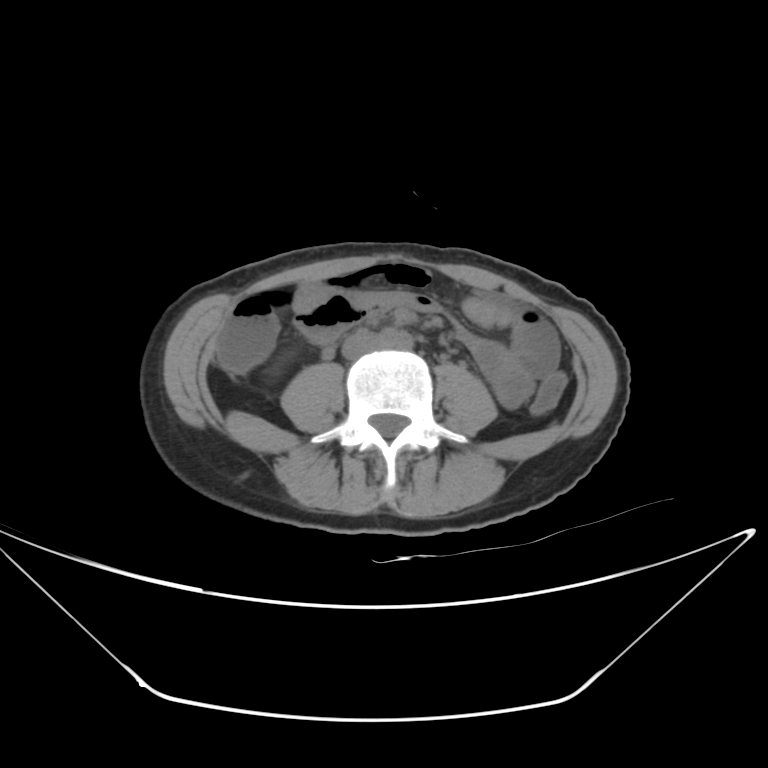
CT, abdomen/pelvis — axial view — 32-year-old female patient — 15 organs annotated in this scan (that count is for the whole scan; organs this slice misses have no box)
{"organs":{"inferior vena cava":[342,331,382,358]}}